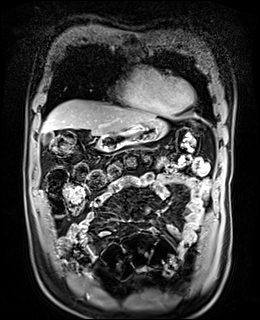
MRI, abdomen · Coronal slice 107/144 · 1st–99th percentile window · Prisma scanner · 13 organs annotated in this scan (a whole-scan count: organs this slice does not pass through have no box)
Boxes are (x1, y1, x2, y2) in pixels.
gall bladder: (43, 132, 53, 144)
liver: (42, 99, 156, 135)
stomach: (97, 119, 168, 151)
duodenum: (96, 139, 113, 151)